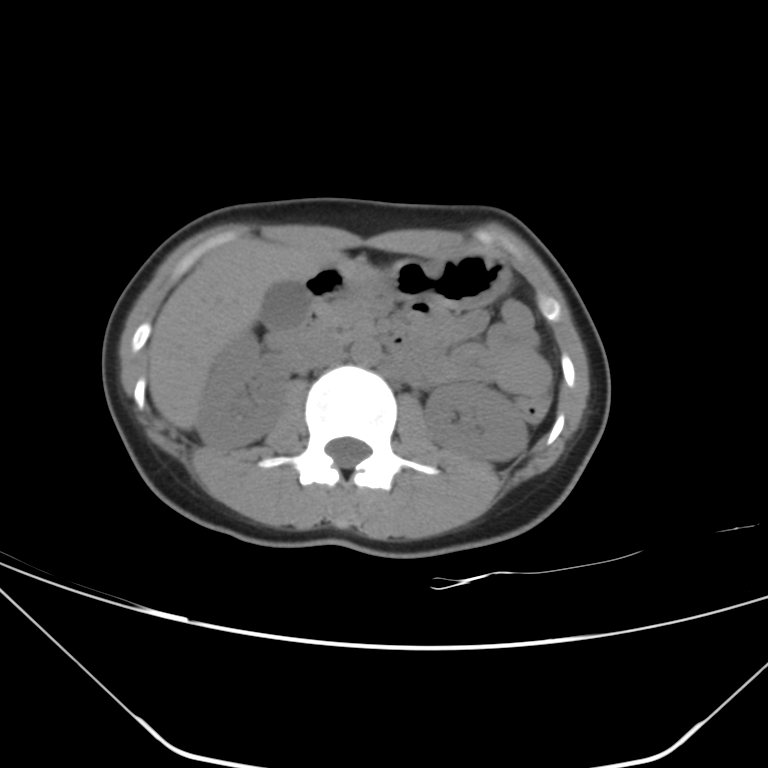
CT abdomen; axial plane, index 50
<organs><organ name="right kidney" x1="197" y1="333" x2="287" y2="448"/><organ name="left kidney" x1="425" y1="381" x2="527" y2="460"/><organ name="gall bladder" x1="262" y1="280" x2="310" y2="327"/><organ name="liver" x1="148" y1="238" x2="344" y2="429"/><organ name="stomach" x1="337" y1="252" x2="508" y2="306"/><organ name="aorta" x1="350" y1="338" x2="380" y2="365"/><organ name="inferior vena cava" x1="290" y1="333" x2="344" y2="368"/><organ name="pancreas" x1="328" y1="297" x2="375" y2="329"/><organ name="duodenum" x1="268" y1="267" x2="410" y2="353"/></organs>